Lower-chest slice from an abdominal CT, just above the liver and spleen — axial view
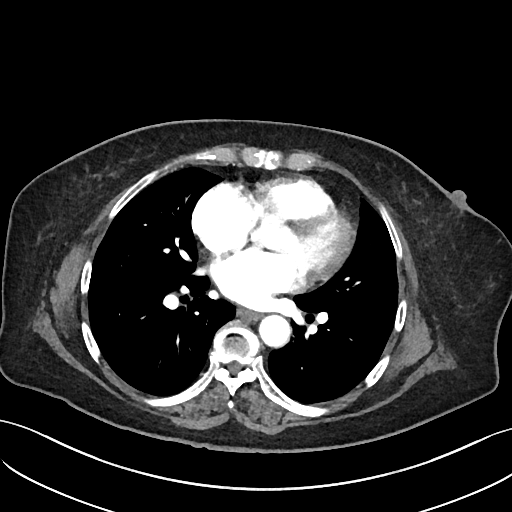
Of the structures in the chest, this dataset labels only the esophagus, the aorta and the inferior vena cava; the heart and lungs have no label.
<organs><organ name="aorta" x1="259" y1="315" x2="290" y2="347"/><organ name="esophagus" x1="238" y1="309" x2="260" y2="319"/></organs>